Abdominal CT; axial plane, index 63
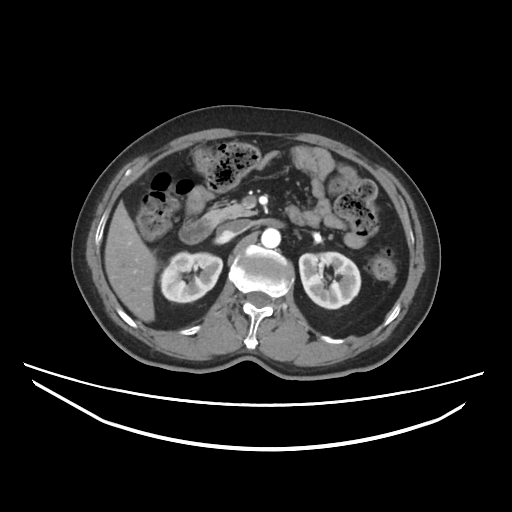 Bounding boxes as [x1, y1, x2, y2] in pixel coordinates.
Organ bounding boxes:
- right kidney: [160, 252, 222, 302]
- left kidney: [299, 252, 360, 308]
- liver: [104, 201, 157, 322]
- aorta: [261, 228, 280, 248]
- inferior vena cava: [218, 220, 248, 238]
- pancreas: [203, 203, 257, 225]
- duodenum: [179, 218, 213, 243]